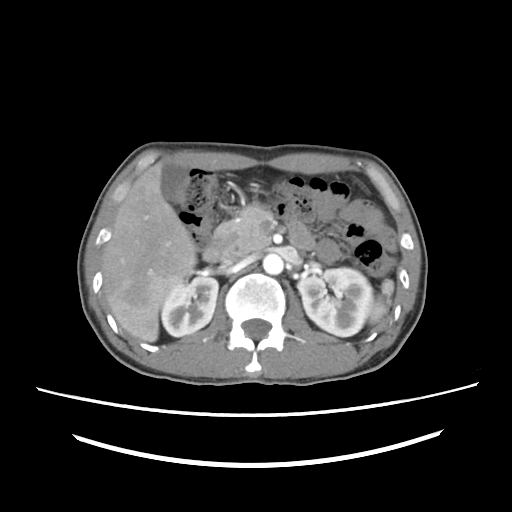 CT, abdomen/pelvis · axial view · abdomen soft-tissue window · 512x512 px · 51-year-old male patient
Organ boxes in pixel coordinates; each row gives the top-left (x1, y1) and bottom-right (x2, y2) corners.
| organ | x1 | y1 | x2 | y2 |
|---|---|---|---|---|
| spleen | 370 | 279 | 394 | 327 |
| right kidney | 161 | 277 | 217 | 337 |
| left kidney | 299 | 267 | 373 | 337 |
| gall bladder | 161 | 160 | 187 | 201 |
| liver | 103 | 161 | 196 | 341 |
| aorta | 262 | 252 | 282 | 274 |
| inferior vena cava | 218 | 258 | 239 | 270 |
| pancreas | 215 | 207 | 274 | 255 |
| duodenum | 203 | 221 | 315 | 262 |